CT, abdomen/pelvis; axial view; 15 organs annotated in this scan (a whole-scan count: organs this slice does not pass through have no box)
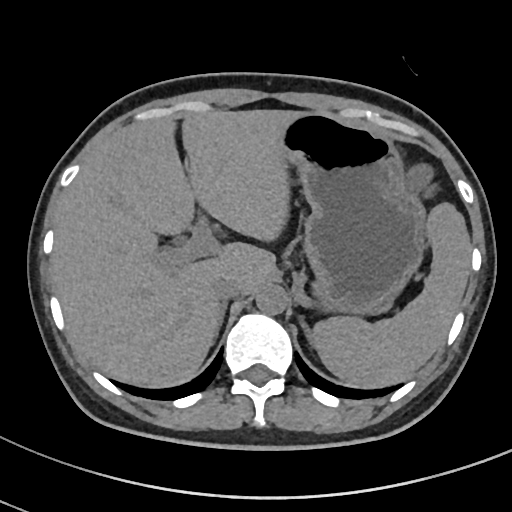 Coordinates as <box>x1,y1,x2,y2</box> in pixels.
spleen: <box>309,204,470,385</box>
liver: <box>52,110,303,385</box>
stomach: <box>281,112,426,312</box>
aorta: <box>256,284,288,315</box>
inferior vena cava: <box>212,274,243,300</box>
left adrenal gland: <box>301,324,311,336</box>